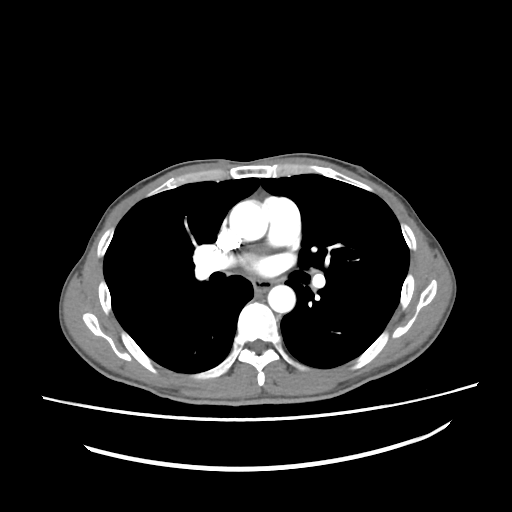
Chest-level CT slice, above the liver and spleen · axial view · W/L 400/40 HU · 512x512 px
On a slice this high in the chest, this dataset labels only the esophagus and the aorta, and each is boxed only where it is labeled; the heart, lungs and other chest structures are not labeled.
Organ boxes in pixel coordinates; each row gives the top-left (x1, y1) and bottom-right (x2, y2) corners.
| organ | x1 | y1 | x2 | y2 |
|---|---|---|---|---|
| esophagus | 253 | 279 | 272 | 291 |
| aorta | 229 | 200 | 268 | 241 |
| aorta | 267 | 285 | 295 | 312 |